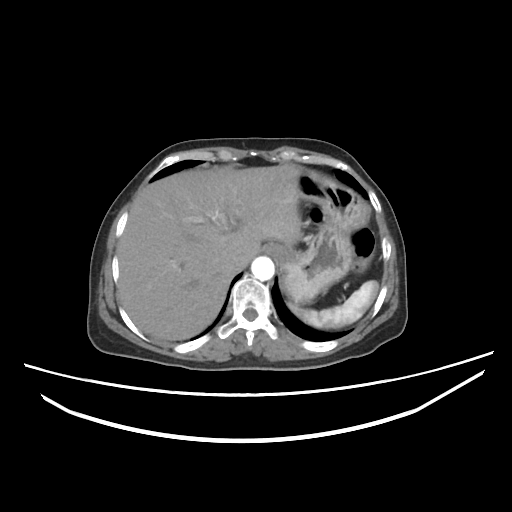 CT abdomen — axial view — soft-tissue window (W 400 / L 40)
Box edges are left/top/right/bottom in pixels.
spleen: left=285, top=281, right=378, bottom=327
esophagus: left=267, top=244, right=281, bottom=257
aorta: left=251, top=256, right=274, bottom=281
stomach: left=281, top=173, right=367, bottom=304
inferior vena cava: left=230, top=232, right=261, bottom=270
liver: left=117, top=165, right=301, bottom=339